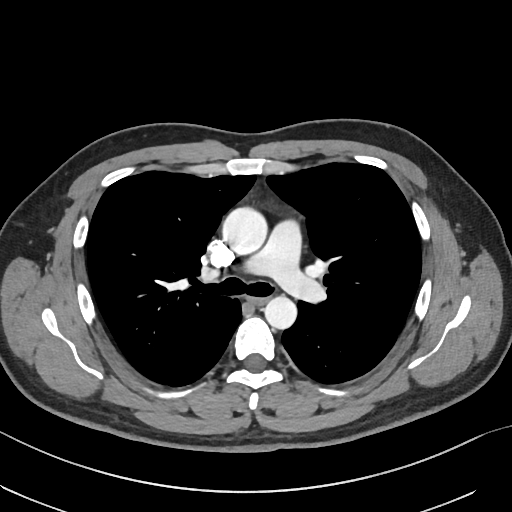

CT of the abdomen extending into the chest, slice through the chest — axial plane, index 250 — soft-tissue window (W 400 / L 40) — 512x512 px
At this level of the chest no structure but the esophagus and the aorta has a label in this dataset, and those two are boxed only where they are labeled.
Boxes: x1:y1:x2:y2 in pixels.
esophagus: 251:297:267:304
aorta: 222:207:267:254
aorta: 264:295:297:329